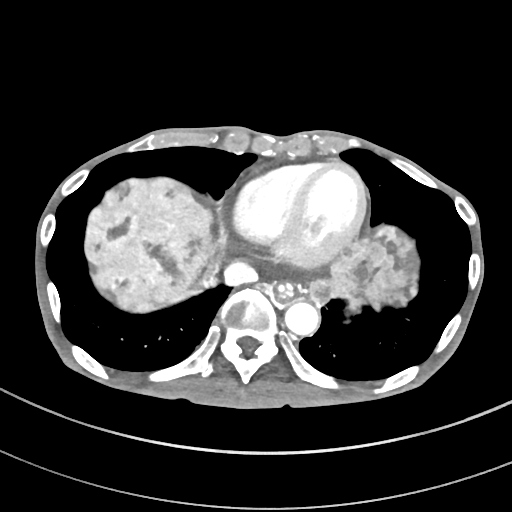
CT abdomen · axial view
Boxes: x1 y1 x2 y2 (pixel coords, space-separated).
liver: 84 177 418 312
aorta: 285 301 319 336
esophagus: 276 283 293 301
inferior vena cava: 224 262 257 286